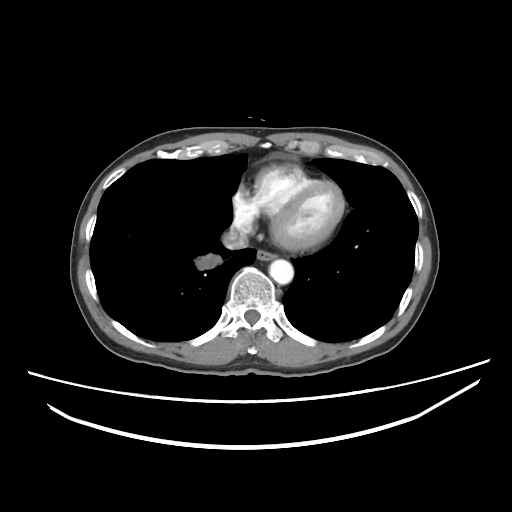

Abdominal CT; this slice is in the lower chest, just above the liver. Axial slice 56/109. soft-tissue window. 512x512 px. acquired on Aquilion ONE. 13 organs annotated in this scan (a whole-scan count: organs this slice does not pass through have no box)
The heart and lungs are never labeled in this dataset, so they have no box on this slice.
{"organs":{"esophagus":[256,250,277,260],"aorta":[269,259,293,284],"inferior vena cava":[222,226,248,249]}}